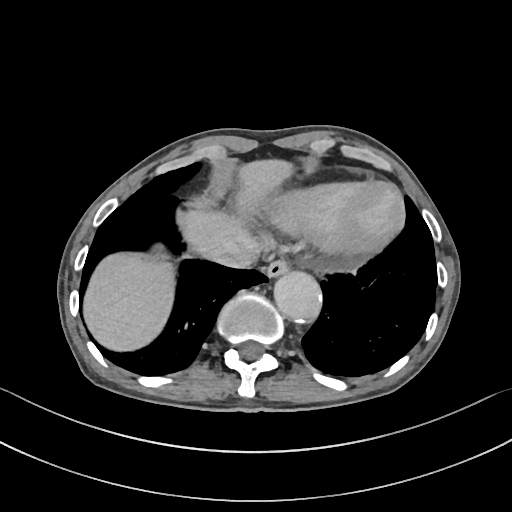

CT abdomen; axial view; soft-tissue window
{"organs":{"esophagus":[265,256,291,276],"liver":[82,158,295,352],"aorta":[273,270,321,321],"inferior vena cava":[212,243,258,268]}}